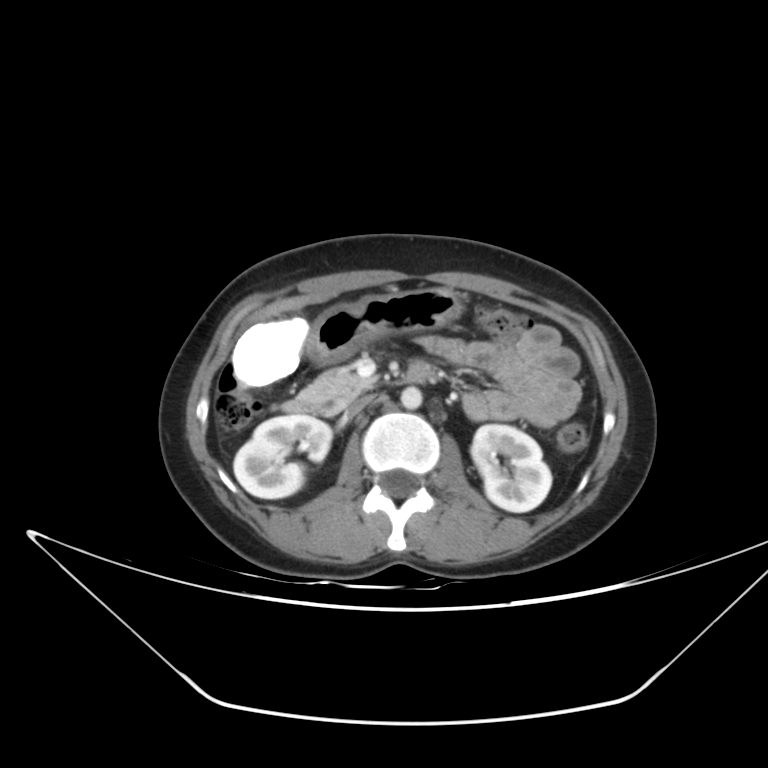
CT abdomen · axial view · soft-tissue window · 768x768 px
Coordinates as <box>x1,y1,x2,y2</box> in pixels.
Organ bounding boxes:
- right kidney: <box>233,414,331,498</box>
- left kidney: <box>471,424,551,512</box>
- liver: <box>231,316,310,386</box>
- stomach: <box>307,287,463,364</box>
- aorta: <box>400,387,422,409</box>
- inferior vena cava: <box>347,395,373,415</box>
- pancreas: <box>300,368,375,413</box>
- duodenum: <box>282,362,432,415</box>